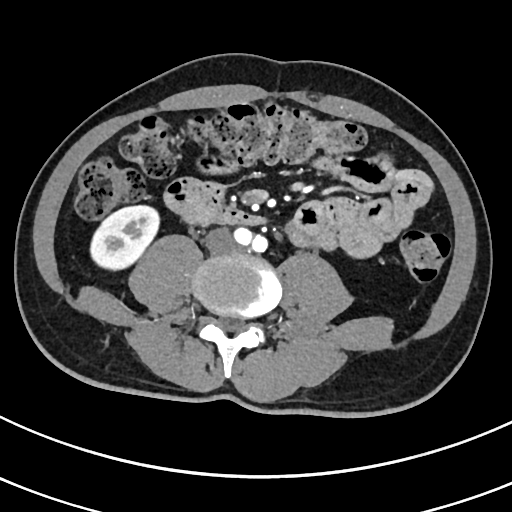
CT, abdomen/pelvis · axial plane, index 102 · SOMATOM Force scanner · scan has 15 labeled organs (that count is for the whole scan; organs this slice misses have no box)
<organs><organ name="right kidney" x1="90" y1="204" x2="159" y2="269"/><organ name="inferior vena cava" x1="206" y1="227" x2="236" y2="253"/><organ name="duodenum" x1="188" y1="203" x2="266" y2="225"/></organs>